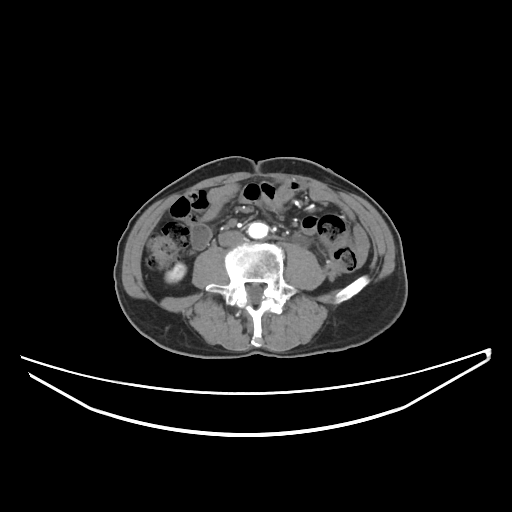

CT, abdomen/pelvis; axial plane, index 42; soft-tissue window (W 400 / L 40); 512x512 px; 15 organs annotated in this scan (that count is for the whole scan; organs this slice misses have no box)
Boxes: x1 y1 x2 y2 (pixel coords, space-separated).
aorta: 248 222 268 238
inferior vena cava: 218 230 244 246
right kidney: 165 263 186 282